Computed tomography, abdomen · axial plane, index 139
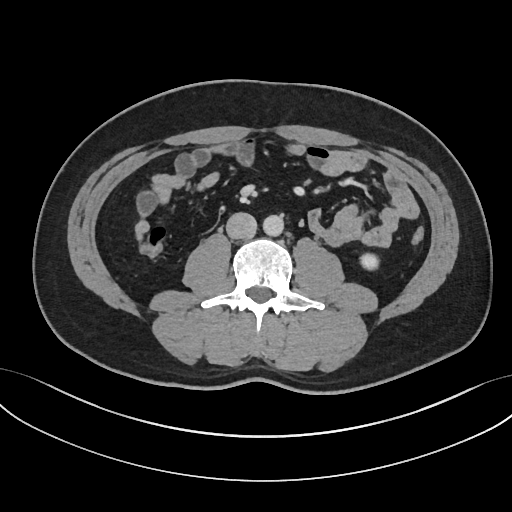
Boxes: x1 y1 x2 y2 (pixel coords, space-separated).
left kidney: 359 253 377 269
aorta: 263 214 283 236
inferior vena cava: 226 212 257 238